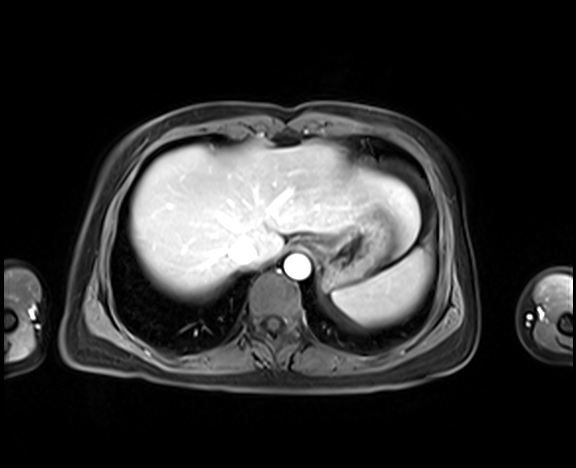
Abdominal MRI · axial view · percentile-normalized · 576x468 px
Bounding boxes as [x1, y1, x2, y2] in pixel coordinates.
Organ bounding boxes:
- spleen: [332, 248, 431, 325]
- liver: [131, 143, 419, 297]
- stomach: [308, 210, 391, 289]
- aorta: [284, 255, 310, 279]
- inferior vena cava: [229, 241, 257, 265]
- esophagus: [297, 239, 309, 246]